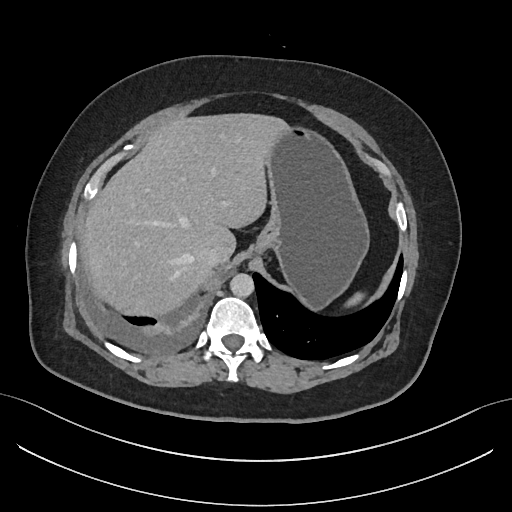
Computed tomography, abdomen · axial view · 512x512 px
{"organs":{"spleen":[346,292,364,306],"liver":[85,113,285,316],"stomach":[253,124,369,310],"aorta":[230,273,254,297],"inferior vena cava":[196,246,221,267]}}